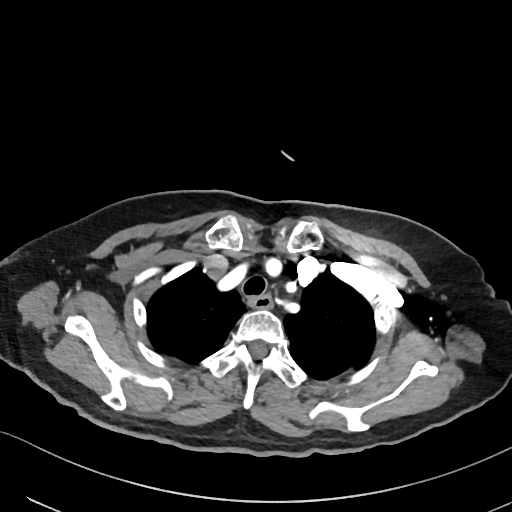 Chest-level CT slice, above the liver and spleen · axial view · soft-tissue window · 512x512 px
At this level of the chest no structure but the esophagus and the aorta has a label in this dataset, and those two are boxed only where they are labeled.
<organs><organ name="esophagus" x1="248" y1="295" x2="272" y2="308"/></organs>